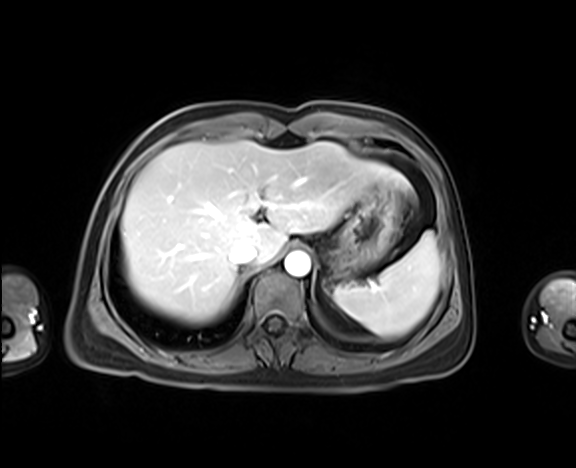 Abdominal MRI; axial plane, index 53; 1st–99th percentile window
One row per box, in pixels: columns x1 and y1 give the top-left corner, x2 and y2 the bottom-right.
| organ | x1 | y1 | x2 | y2 |
|---|---|---|---|---|
| spleen | 333 | 231 | 440 | 337 |
| liver | 121 | 141 | 412 | 323 |
| stomach | 328 | 180 | 402 | 277 |
| aorta | 284 | 251 | 310 | 276 |
| inferior vena cava | 230 | 243 | 257 | 265 |